CT of the abdomen reaching into the lower chest, slice just above the liver and spleen · axial plane, index 103 · soft-tissue window · 15 organs annotated in this scan (that count is for the whole scan; organs this slice misses have no box)
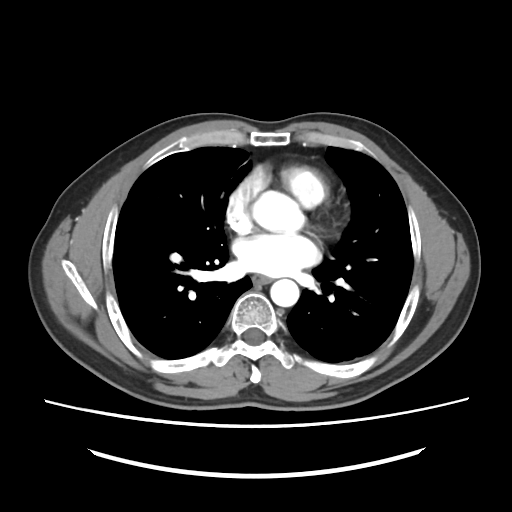 Of the structures in the chest, this dataset labels only the esophagus, the aorta and the inferior vena cava; the heart and lungs have no label.
Bounding boxes in pixels, one row per box: x1, y1 is the top-left corner and x2, y2 the bottom-right.
| organ | x1 | y1 | x2 | y2 |
|---|---|---|---|---|
| esophagus | 252 | 275 | 271 | 284 |
| aorta | 270 | 279 | 299 | 306 |